Chest-level slice from an abdominal CT that extends up into the chest; axial plane, index 264; W/L 400/40 HU; 512x512 px
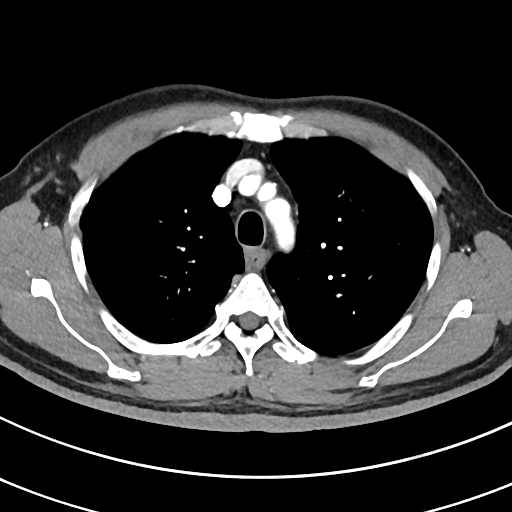

At this level of the chest this dataset labels only the esophagus and the aorta, and each is boxed only where it is labeled; the heart and lungs are never labeled.
<organs><organ name="aorta" x1="244" y1="174" x2="299" y2="260"/><organ name="esophagus" x1="246" y1="251" x2="265" y2="270"/></organs>